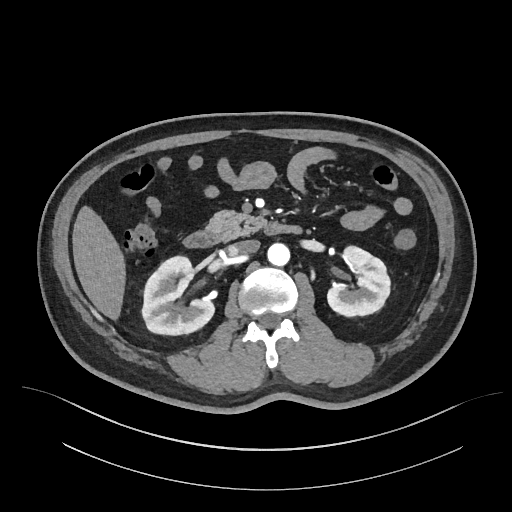

Computed tomography, abdomen. axial plane, index 158
Boxes: x1:y1:x2:y2 in pixels.
liver: 72:206:125:320
right kidney: 142:256:214:335
pancreas: 206:210:264:240
duodenum: 183:222:302:248
aorta: 267:243:289:266
inferior vena cava: 228:240:259:254
left kidney: 327:246:390:316